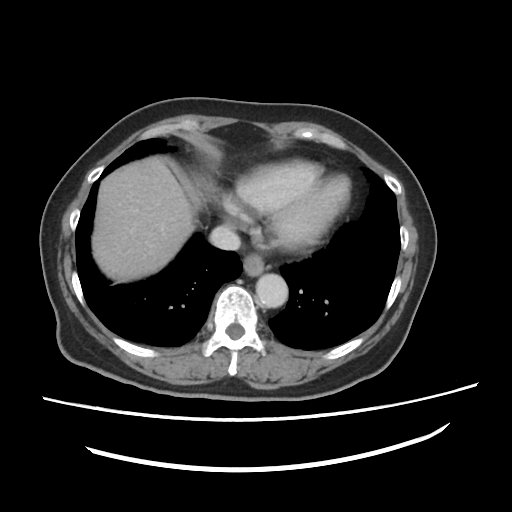

CT abdomen · axial view · scan has 14 labeled organs (that count is for the whole scan; organs this slice misses have no box)
<organs><organ name="esophagus" x1="243" y1="254" x2="266" y2="276"/><organ name="liver" x1="92" y1="156" x2="196" y2="281"/><organ name="inferior vena cava" x1="211" y1="225" x2="240" y2="251"/><organ name="aorta" x1="257" y1="273" x2="288" y2="308"/></organs>